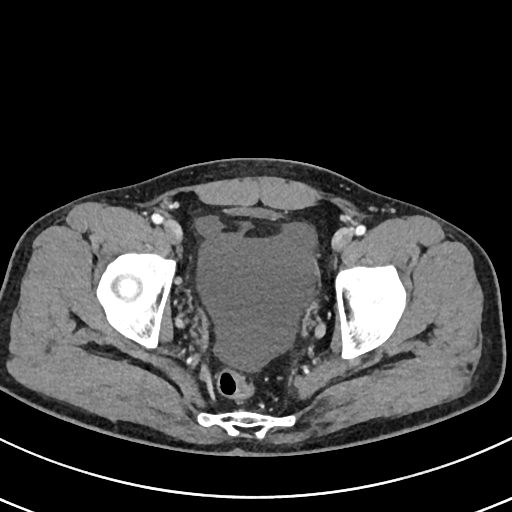 CT, abdomen/pelvis · axial view · 512x512 px · SOMATOM Force scanner · 15 organs annotated in this scan (that count is for the whole scan; organs this slice misses have no box)
Box edges are left/top/right/bottom in pixels.
Organ bounding boxes:
- bladder: left=223, top=208, right=278, bottom=218